Abdominal CT; Axial slice 23/99; abdomen soft-tissue window; Brilliance16 scanner
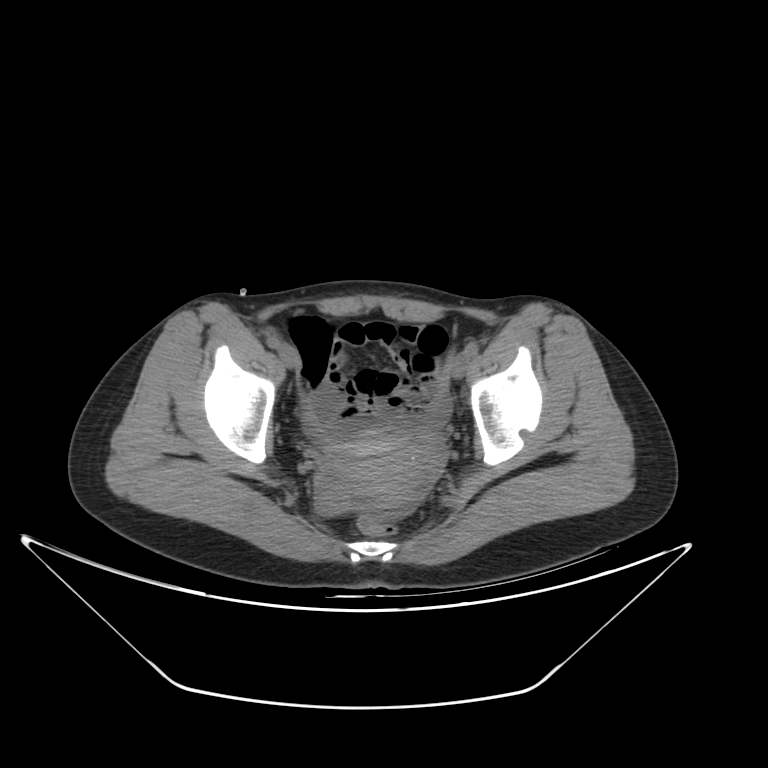 Coordinates as <box>x1,y1,x2,y2</box> in pixels.
Organ bounding boxes:
- prostate/uterus: <box>317,426,435,496</box>